Computed tomography, abdomen · axial view · soft-tissue window · 512x512 px · acquired on SOMATOM Force
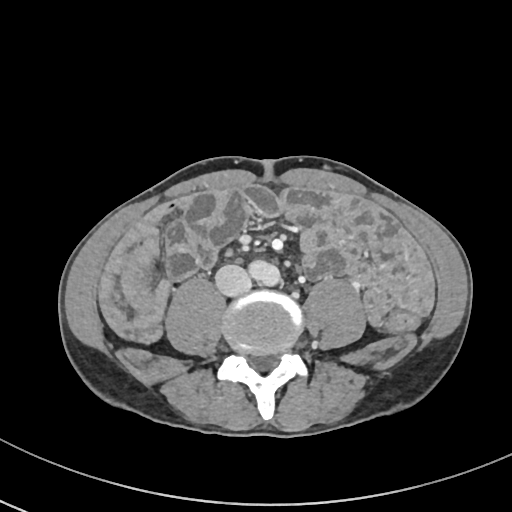
One row per box, in pixels: columns x1 and y1 give the top-left corner, x2 and y2 the bottom-right.
| organ | x1 | y1 | x2 | y2 |
|---|---|---|---|---|
| inferior vena cava | 215 | 264 | 251 | 296 |
| aorta | 249 | 260 | 281 | 286 |